CT abdomen · axial view · scan has 15 labeled organs (that count is for the whole scan; organs this slice misses have no box)
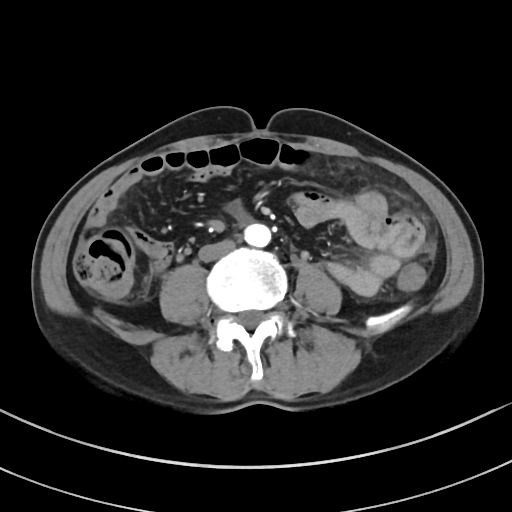

Boxes: x1:y1:x2:y2 in pixels.
Organ bounding boxes:
- aorta: 244:223:270:247
- inferior vena cava: 199:240:235:261